CT, abdomen/pelvis · axial view · abdomen soft-tissue window · 768x768 px
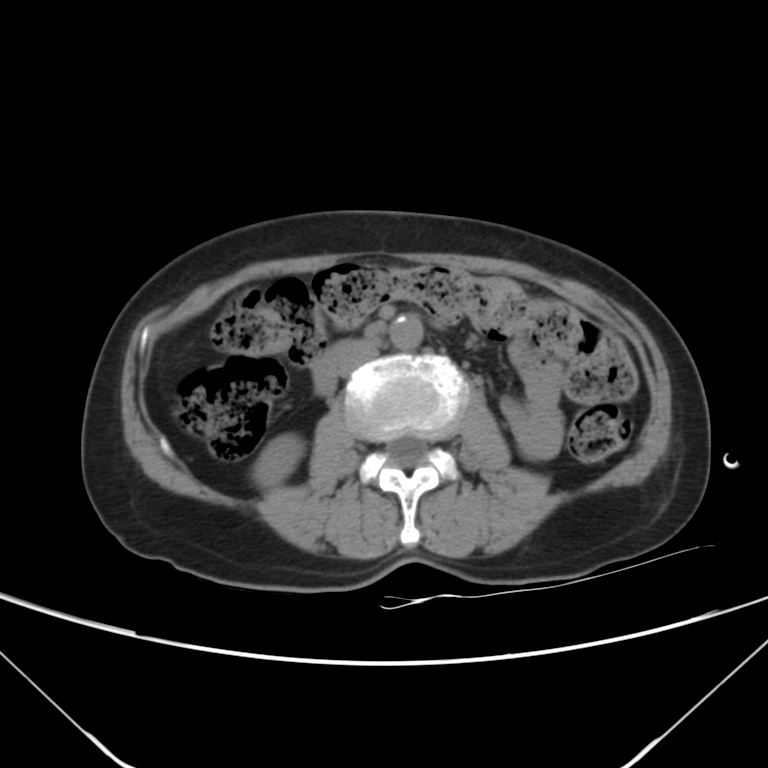 Bounding boxes as [x1, y1, x2, y2] in pixel coordinates.
Organ bounding boxes:
- right kidney: [251, 435, 303, 488]
- aorta: [389, 316, 423, 350]
- inferior vena cava: [337, 340, 378, 376]
- duodenum: [311, 342, 350, 393]